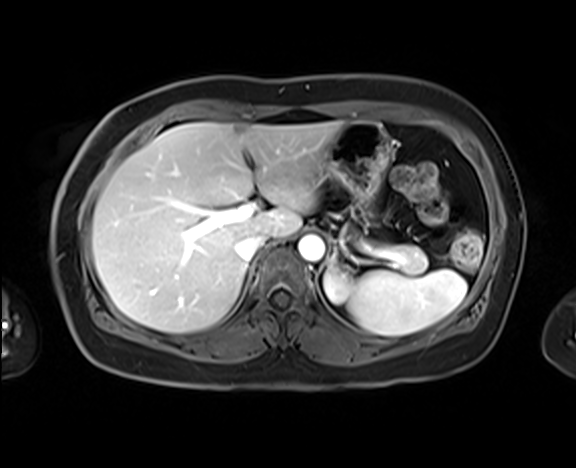

Abdominal MR · axial plane, index 37 · percentile-normalized · 576x468 px
Each box given as x1,y1,x2,y2.
Organ bounding boxes:
- left kidney: x1=324, y1=268, x2=355, y2=304
- pancreas: x1=372, y1=241, x2=428, y2=274
- aorta: x1=298, y1=235, x2=324, y2=261
- spleen: x1=348, y1=269, x2=467, y2=335
- inferior vena cava: x1=235, y1=234, x2=266, y2=261
- stomach: x1=325, y1=121, x2=389, y2=211
- liver: x1=92, y1=122, x2=342, y2=333
- left adrenal gland: x1=329, y1=251, x2=336, y2=268